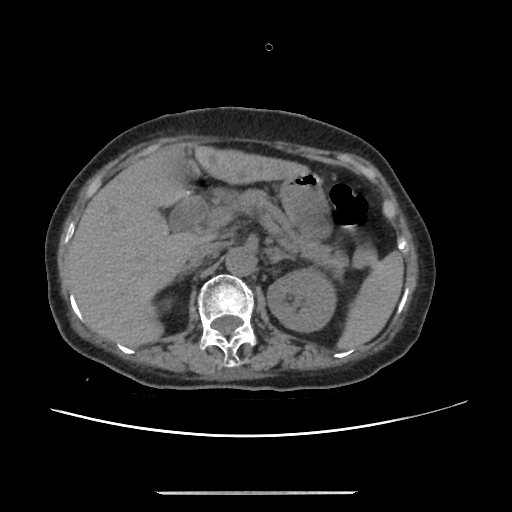
CT abdomen; axial view; W/L 400/40 HU; 512x512 px; SOMATOM Force scanner; 14 organs annotated in this scan (counted over the whole 3D scan, not this slice; an organ is boxed only where this slice passes through it)
<organs><organ name="spleen" x1="341" y1="252" x2="403" y2="348"/><organ name="left kidney" x1="268" y1="268" x2="336" y2="332"/><organ name="liver" x1="68" y1="146" x2="307" y2="346"/><organ name="stomach" x1="277" y1="170" x2="329" y2="236"/><organ name="aorta" x1="224" y1="245" x2="255" y2="274"/><organ name="inferior vena cava" x1="187" y1="242" x2="217" y2="266"/><organ name="pancreas" x1="215" y1="189" x2="331" y2="258"/><organ name="right adrenal gland" x1="184" y1="265" x2="190" y2="269"/><organ name="left adrenal gland" x1="272" y1="248" x2="290" y2="259"/><organ name="duodenum" x1="176" y1="150" x2="209" y2="219"/></organs>